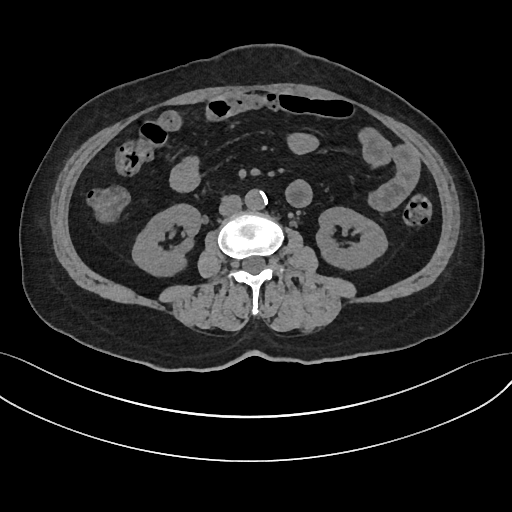 CT, abdomen/pelvis. axial view. W/L 400/40 HU. 512x512 px. SOMATOM Force scanner. scan has 15 labeled organs (counted over the whole 3D scan, not this slice; an organ is boxed only where this slice passes through it)
Box edges are left/top/right/bottom in pixels.
left kidney: left=317, top=207, right=387, bottom=271
aorta: left=244, top=190, right=266, bottom=210
right kidney: left=132, top=204, right=201, bottom=277
inferior vena cava: left=219, top=195, right=242, bottom=215